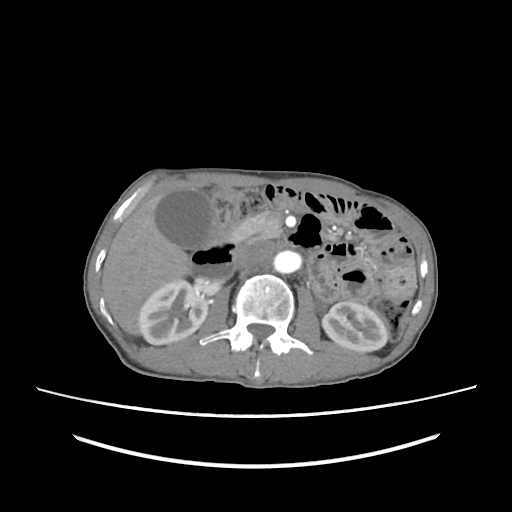
Computed tomography, abdomen · axial plane, index 57 · 512x512 px
{"organs":{"gall bladder":[156,189,212,249],"duodenum":[190,239,241,280],"liver":[101,195,189,334],"pancreas":[233,212,281,242],"left kidney":[322,301,387,352],"inferior vena cava":[233,241,272,268],"aorta":[274,250,301,273],"right kidney":[138,279,207,344]}}